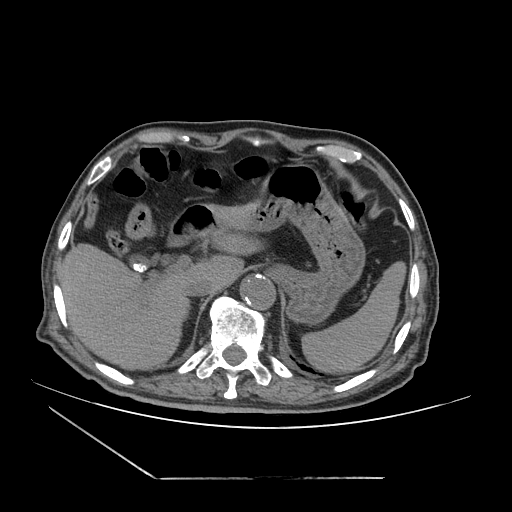
CT, abdomen/pelvis · Axial slice 152/187 · soft-tissue window · 512x512 px · SOMATOM Force scanner
Bounding boxes in pixels, one row per box: x1, y1 is the top-left corner and x2, y2 the bottom-right.
| organ | x1 | y1 | x2 | y2 |
|---|---|---|---|---|
| duodenum | 168 | 205 | 211 | 245 |
| liver | 60 | 232 | 260 | 369 |
| spleen | 301 | 262 | 405 | 371 |
| inferior vena cava | 185 | 279 | 215 | 297 |
| aorta | 241 | 276 | 276 | 310 |
| stomach | 205 | 163 | 366 | 326 |
| gall bladder | 127 | 253 | 147 | 271 |